Chest-level slice from an abdominal CT that extends up into the chest — axial view — soft-tissue window (W 400 / L 40) — 512x512 px — 51-year-old male patient — scan has 13 labeled organs (a whole-scan count: organs this slice does not pass through have no box)
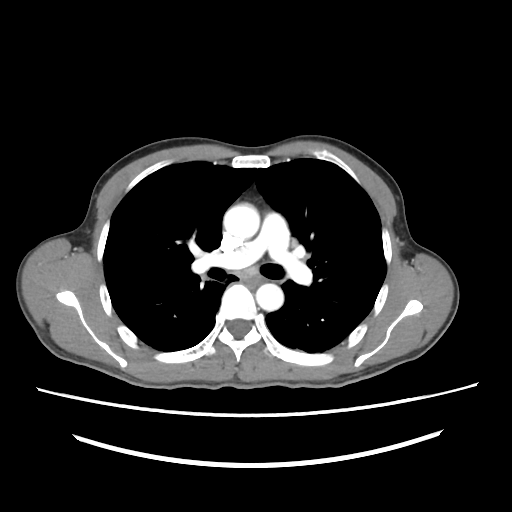
At this level of the chest this dataset labels only the esophagus and the aorta, and each is boxed only where it is labeled; the heart and lungs are never labeled.
{"organs":{"aorta":[[224,204,259,239],[257,284,282,310]]}}